Computed tomography, abdomen — axial view — W/L 400/40 HU
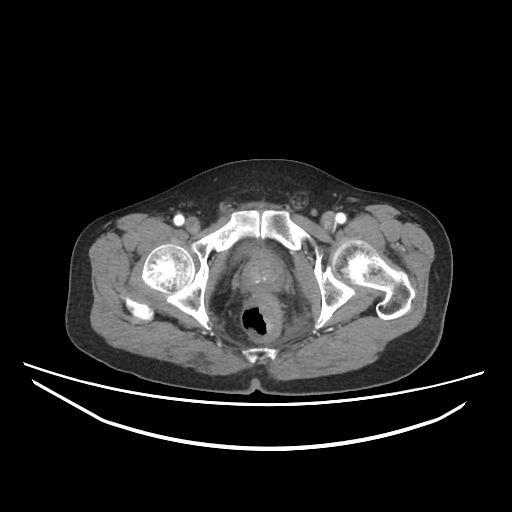
Coordinates as <box>x1,y1,x2,y2</box> in pixels.
bladder: <box>236,243,261,258</box>
prostate/uterus: <box>242,251,283,292</box>